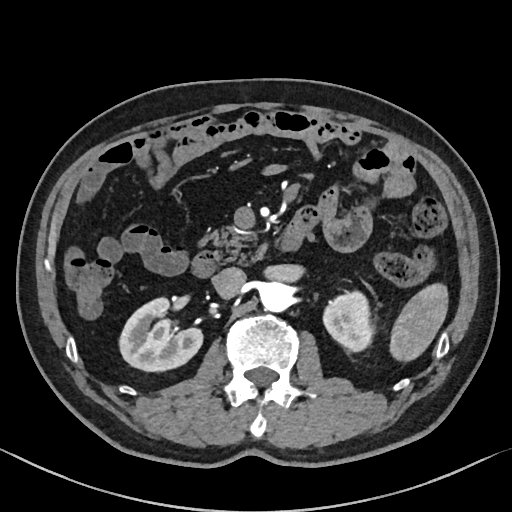
CT, abdomen/pelvis · axial view · soft-tissue window (W 400 / L 40) · 512x512 px
Boxes: x1 y1 x2 y2 (pixel coords, space-separated).
Organ bounding boxes:
- inferior vena cava: 212 267 245 297
- left kidney: 323 291 374 351
- pancreas: 206 226 261 262
- right kidney: 119 297 202 371
- duodenum: 192 250 220 277
- aorta: 260 282 292 312
- spleen: 389 283 448 361